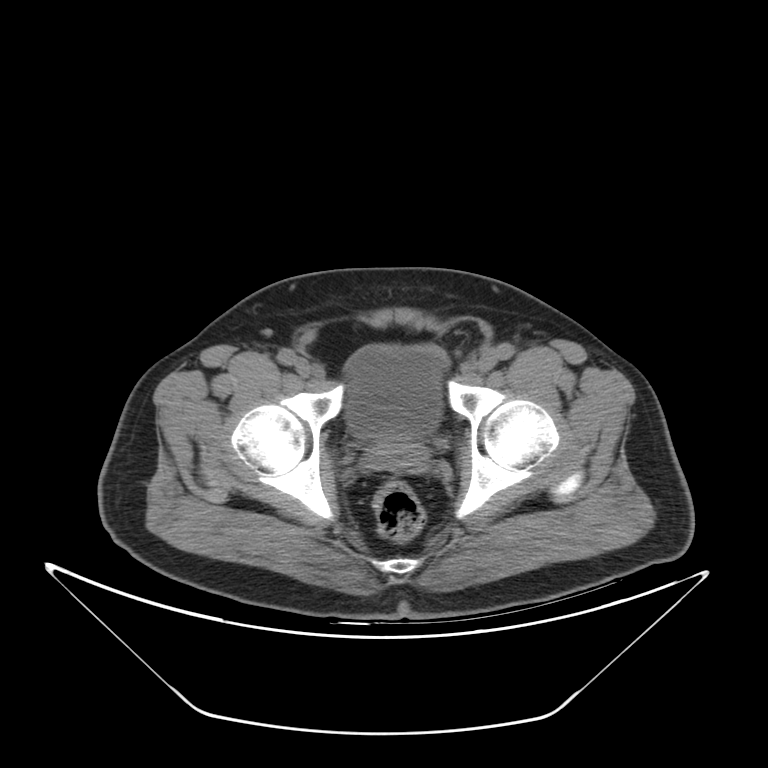 Abdominal CT. axial view. soft-tissue window (W 400 / L 40). 768x768 px. 55-year-old male patient. Brilliance16 scanner
Boxes: x1:y1:x2:y2 in pixels. 2 labeled organs on this slice — bladder at 345:345:447:438; prostate/uterus at 378:438:412:456.